Abdominal CT; axial view
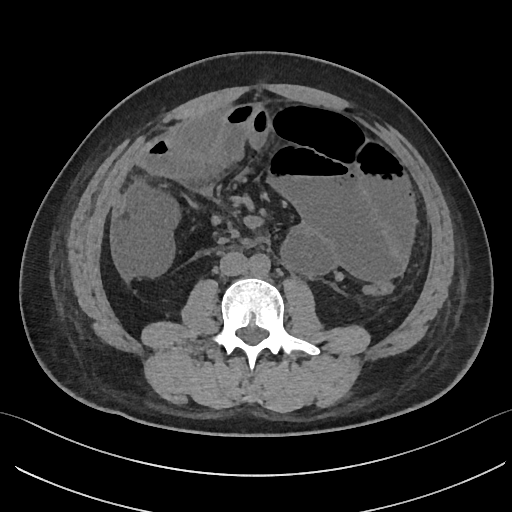

Boxes: x1:y1:x2:y2 in pixels. The annotated organs in this slice are: inferior vena cava at 219:252:248:276, aorta at 249:253:270:276.